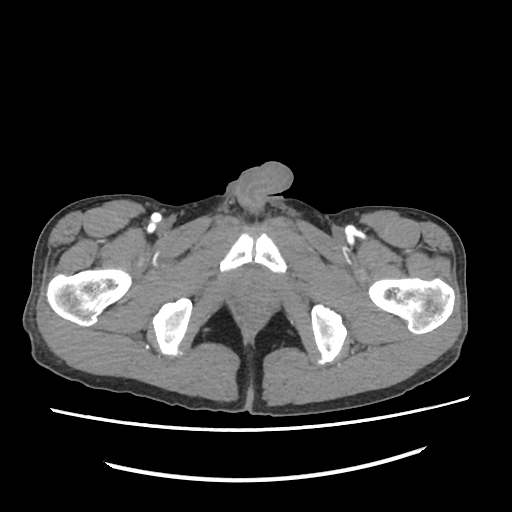 CT abdomen · axial view · soft-tissue window (W 400 / L 40) · 512x512 px · scan has 15 labeled organs (a whole-scan count: organs this slice does not pass through have no box)
{"organs":{"prostate/uterus":[233,270,270,298]}}